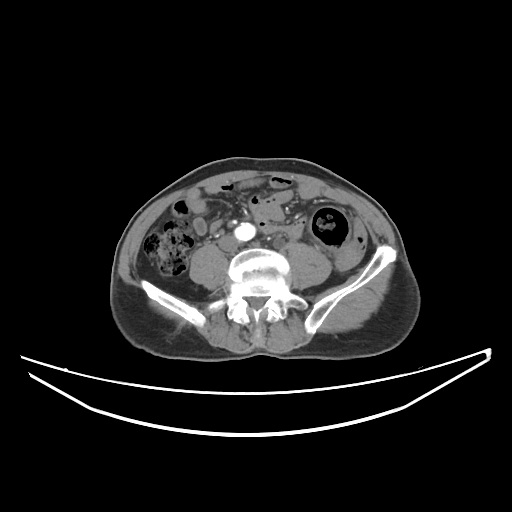
CT abdomen · axial plane, index 38
{"organs":{"inferior vena cava":[220,238,236,249],"aorta":[234,223,255,240]}}